CT, abdomen/pelvis; axial plane, index 222; scan has 14 labeled organs (a whole-scan count: organs this slice does not pass through have no box)
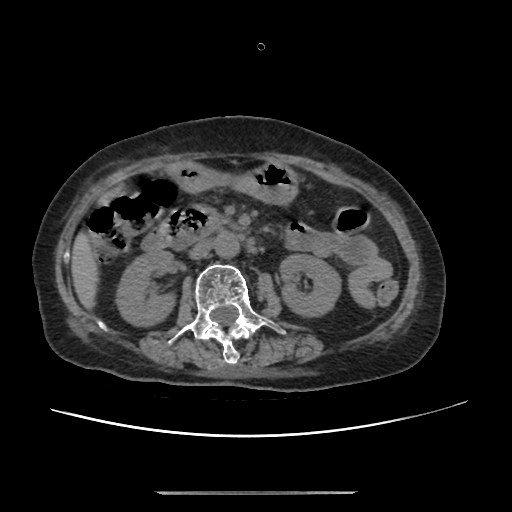

{"organs":{"liver":[71,186,122,309],"inferior vena cava":[189,240,212,259],"pancreas":[207,209,237,232],"left kidney":[280,254,341,316],"right kidney":[116,249,175,325],"aorta":[214,232,239,258],"stomach":[167,161,298,204],"duodenum":[141,206,209,251]}}